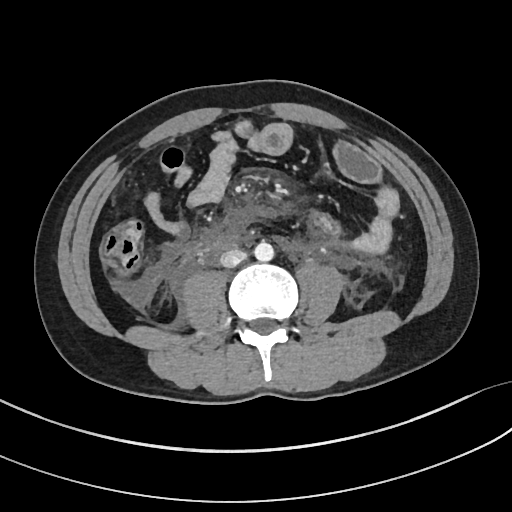 Abdominal CT; Axial slice 112/251; soft-tissue window (W 400 / L 40); SOMATOM Force scanner
Boxes: x1:y1:x2:y2 in pixels. The annotated organs in this slice are: aorta at 254:241:274:261, inferior vena cava at 220:249:247:267.